CT, abdomen/pelvis; axial view; soft-tissue window; 512x512 px; Aquilion ONE scanner; 14 organs annotated in this scan (that count is for the whole scan; organs this slice misses have no box)
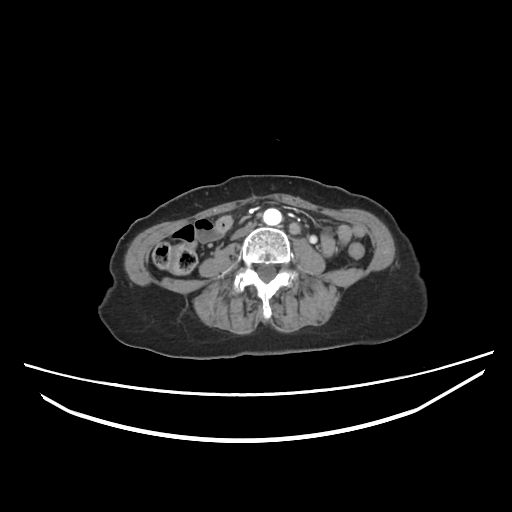
<organs><organ name="aorta" x1="263" y1="207" x2="283" y2="225"/><organ name="inferior vena cava" x1="228" y1="222" x2="254" y2="241"/></organs>